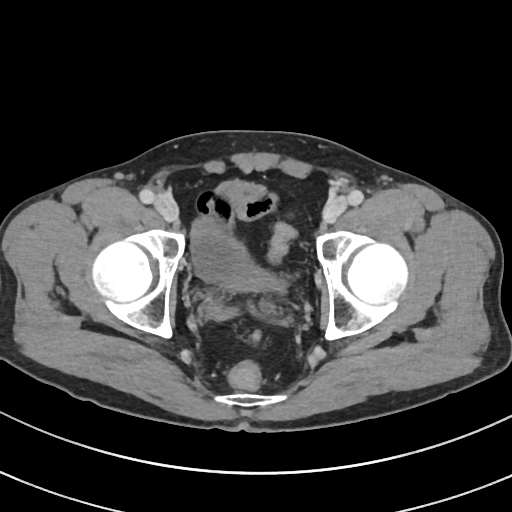
CT abdomen. axial view
{"organs":{"bladder":[190,190,285,292]}}